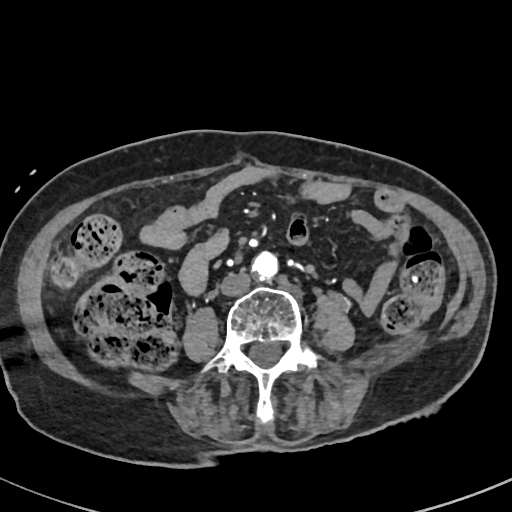
Abdominal CT; axial plane, index 100
Bounding boxes in pixels, one row per box: x1, y1 is the top-left corner and x2, y2 the bottom-right.
| organ | x1 | y1 | x2 | y2 |
|---|---|---|---|---|
| aorta | 252 | 251 | 278 | 280 |
| inferior vena cava | 220 | 272 | 251 | 295 |